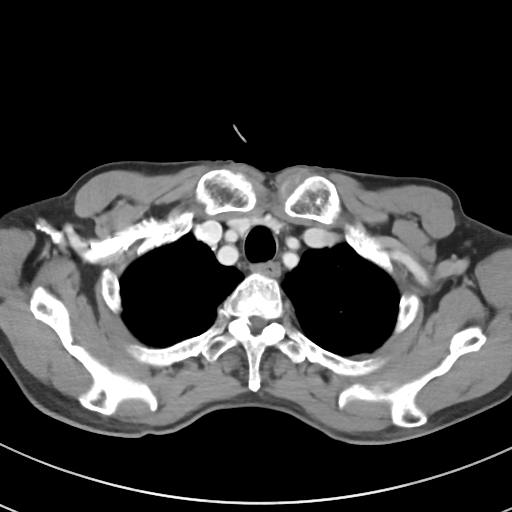

CT of the abdomen extending into the chest, slice through the chest; Axial slice 114/122; soft-tissue window, W/L 400/40; acquired on SOMATOM Force; 15 organs annotated in this scan (a whole-scan count: organs this slice does not pass through have no box)
On a slice this high in the chest, this dataset labels only the esophagus and the aorta, and each is boxed only where it is labeled; the heart, lungs and other chest structures are not labeled.
<organs><organ name="esophagus" x1="250" y1="263" x2="279" y2="275"/></organs>